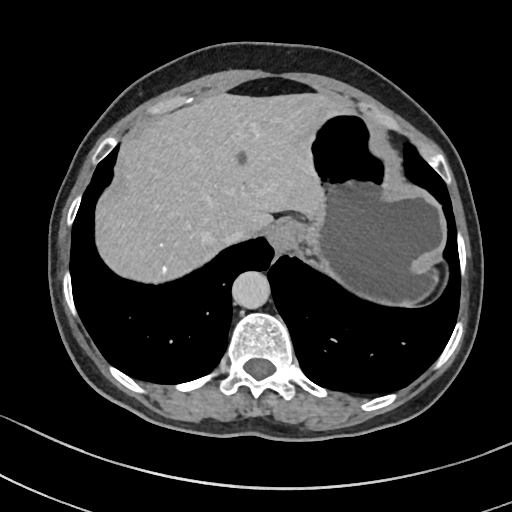

CT abdomen — axial view — SOMATOM Force scanner
<organs><organ name="esophagus" x1="270" y1="219" x2="295" y2="256"/><organ name="liver" x1="96" y1="93" x2="349" y2="284"/><organ name="stomach" x1="299" y1="112" x2="444" y2="302"/><organ name="aorta" x1="232" y1="271" x2="270" y2="309"/><organ name="inferior vena cava" x1="221" y1="232" x2="249" y2="242"/></organs>